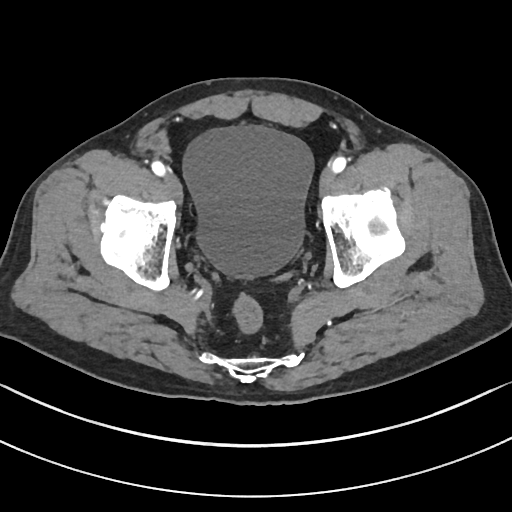 Abdominal CT. axial view. 512x512 px
Coordinates as <box>x1,y1,x2,y2</box> in pixels.
Organ bounding boxes:
- bladder: <box>182,126,313,276</box>